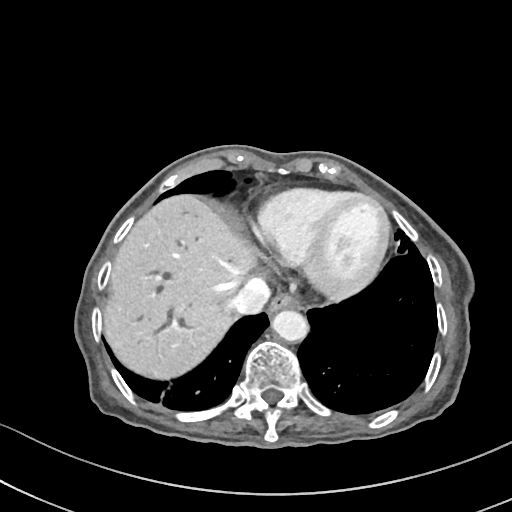 CT, abdomen/pelvis. Axial slice 209/236. 512x512 px
One row per box, in pixels: columns x1 and y1 give the top-left corner, x2 and y2 the bottom-right.
| organ | x1 | y1 | x2 | y2 |
|---|---|---|---|---|
| liver | 102 | 196 | 256 | 378 |
| inferior vena cava | 236 | 281 | 271 | 314 |
| aorta | 273 | 310 | 310 | 342 |
| esophagus | 268 | 295 | 298 | 316 |